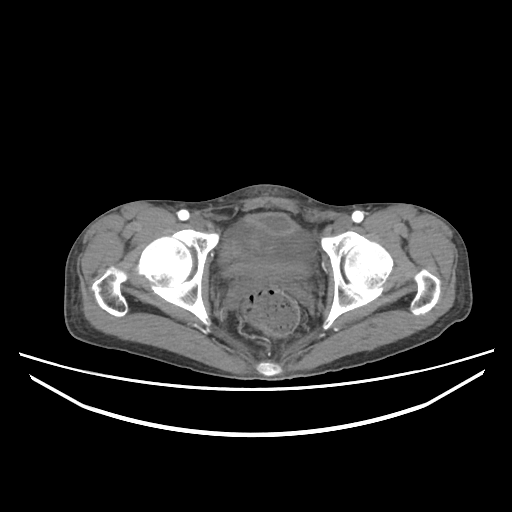 CT, abdomen/pelvis · Axial slice 12/118 · 512x512 px
Organ boxes in pixel coordinates; each row gives the top-left (x1, y1) and bottom-right (x2, y2) corners.
| organ | x1 | y1 | x2 | y2 |
|---|---|---|---|---|
| bladder | 227 | 213 | 310 | 276 |